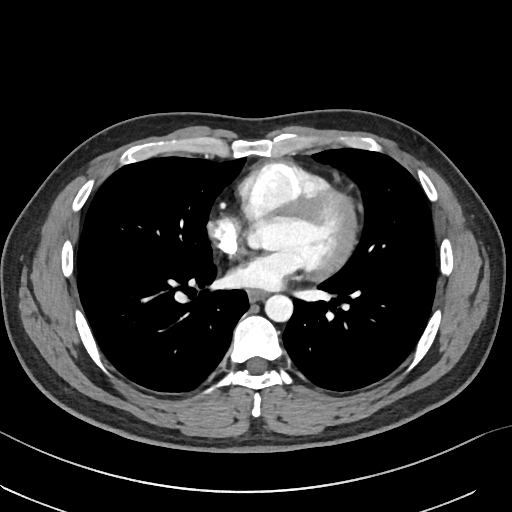

CT of the abdomen reaching into the lower chest, slice just above the liver and spleen. axial view. W/L 400/40 HU. 512x512 px
No part of the heart or lungs is labeled in this dataset, so neither has a box here.
Bounding boxes in pixels, one row per box: x1, y1 is the top-left corner and x2, y2 the bottom-right.
| organ | x1 | y1 | x2 | y2 |
|---|---|---|---|---|
| esophagus | 247 | 290 | 266 | 301 |
| aorta | 265 | 295 | 293 | 321 |